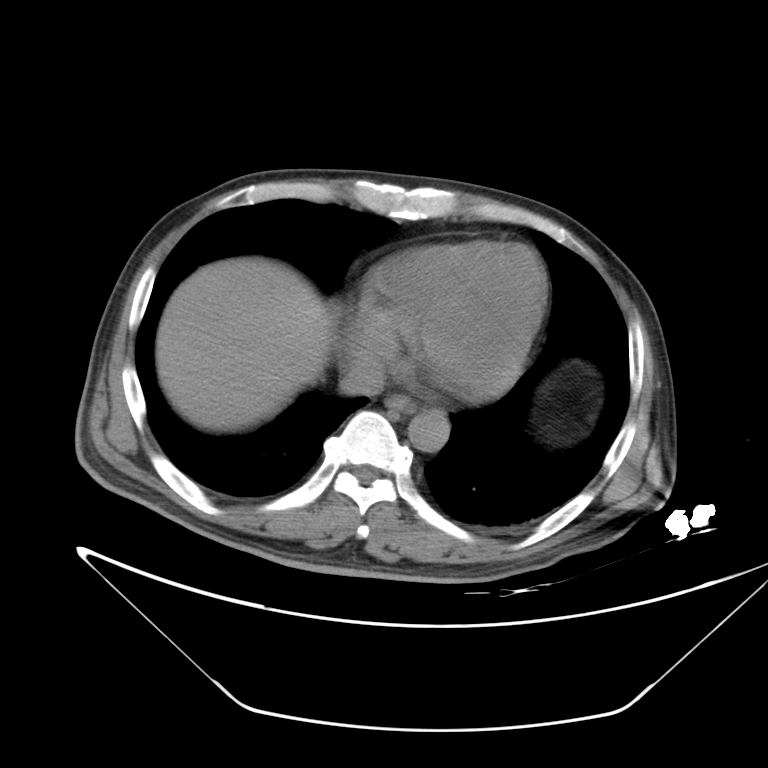

Abdominal CT · axial view
Boxes: x1 y1 x2 y2 (pixel coords, space-separated). Labeled organs on this slice: esophagus at 385 395 416 413, liver at 155 257 334 431, aorta at 407 411 449 452, inferior vena cava at 339 355 385 394.